Abdominal CT — Axial slice 123/175 — 512x512 px — 15 organs annotated in this scan (a whole-scan count: organs this slice does not pass through have no box)
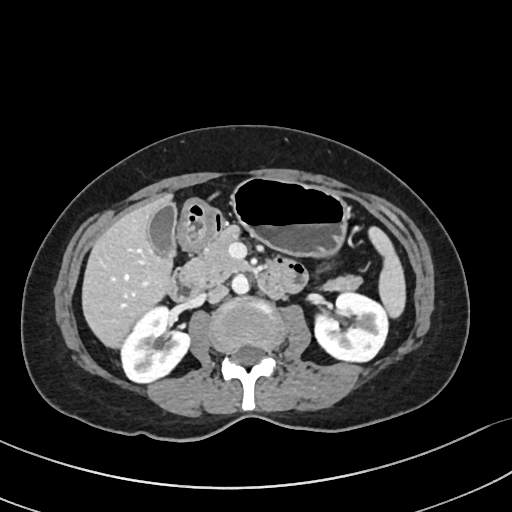
One row per box, in pixels: columns x1 and y1 give the top-left corner, x2 and y2 the bottom-right.
| organ | x1 | y1 | x2 | y2 |
|---|---|---|---|---|
| stomach | 179 | 177 | 350 | 257 |
| inferior vena cava | 207 | 285 | 228 | 303 |
| duodenum | 170 | 210 | 306 | 301 |
| spleen | 369 | 225 | 405 | 318 |
| right kidney | 122 | 307 | 191 | 384 |
| gall bladder | 149 | 203 | 176 | 258 |
| left kidney | 313 | 292 | 387 | 363 |
| aorta | 232 | 276 | 249 | 295 |
| pancreas | 183 | 225 | 363 | 292 |
| liver | 81 | 193 | 175 | 350 |